CT of the abdomen extending into the chest, slice through the chest; axial plane, index 114; W/L 400/40 HU; 512x512 px; 37-year-old female patient; Aquilion ONE scanner
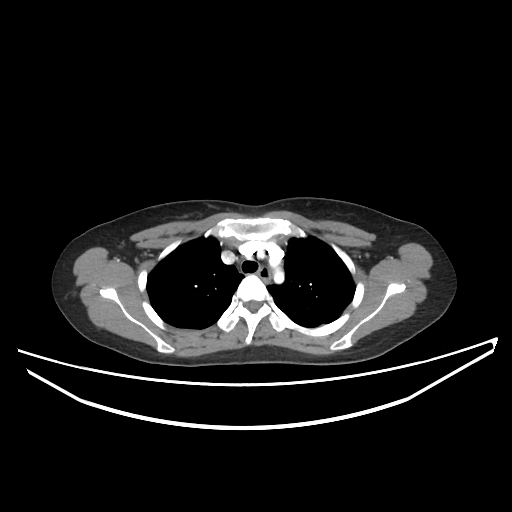 At this level of the chest this dataset labels only the esophagus and the aorta, and each is boxed only where it is labeled; the heart and lungs are never labeled.
One row per box, in pixels: columns x1 and y1 give the top-left corner, x2 and y2 the bottom-right.
| organ | x1 | y1 | x2 | y2 |
|---|---|---|---|---|
| esophagus | 257 | 266 | 273 | 281 |